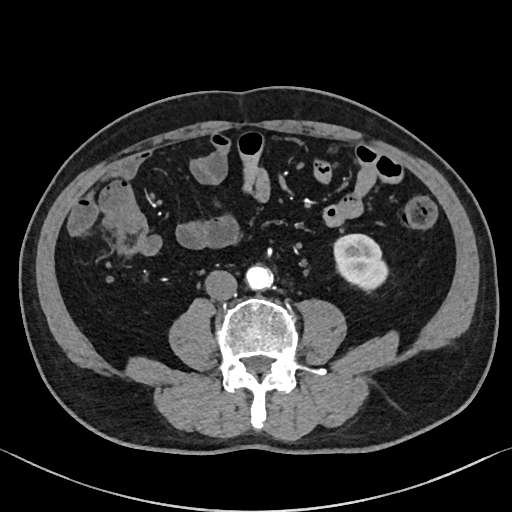
CT abdomen — axial plane, index 104 — 512x512 px
One row per box, in pixels: columns x1 and y1 give the top-left corner, x2 and y2 the bottom-right.
| organ | x1 | y1 | x2 | y2 |
|---|---|---|---|---|
| inferior vena cava | 204 | 269 | 236 | 300 |
| aorta | 245 | 265 | 272 | 289 |
| left kidney | 334 | 234 | 386 | 288 |